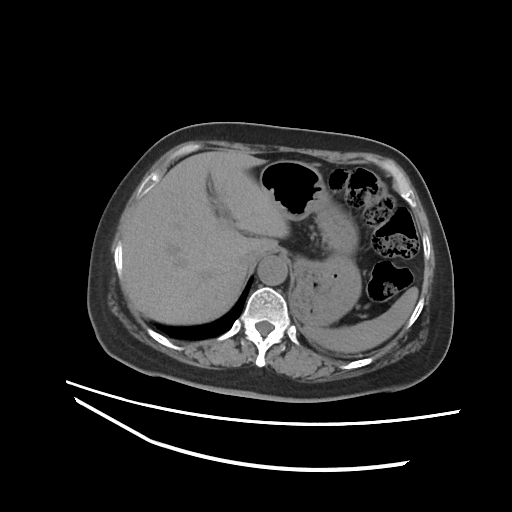
CT abdomen. Axial slice 72/84. W/L 400/40 HU. 512x512 px. acquired on Aquilion ONE
Bounding boxes in pixels, one row per box: x1, y1 is the top-left corner and x2, y2 the bottom-right.
| organ | x1 | y1 | x2 | y2 |
|---|---|---|---|---|
| spleen | 304 | 287 | 418 | 352 |
| liver | 122 | 150 | 289 | 324 |
| stomach | 259 | 160 | 361 | 326 |
| aorta | 257 | 256 | 287 | 285 |
| inferior vena cava | 239 | 248 | 263 | 267 |